CT abdomen — axial view — soft-tissue window (W 400 / L 40) — 15 organs annotated in this scan (counted over the whole 3D scan, not this slice; an organ is boxed only where this slice passes through it)
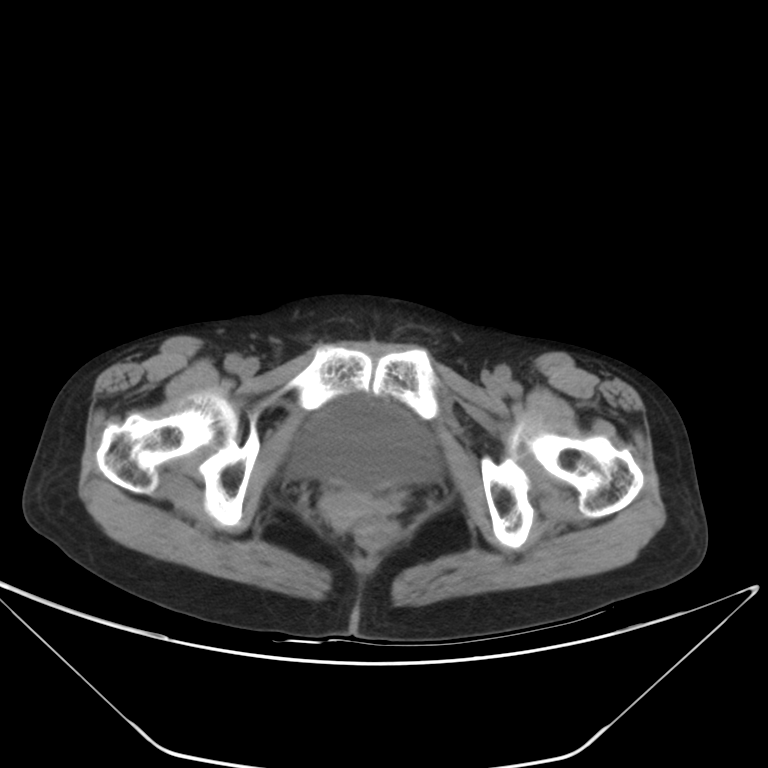 <organs><organ name="prostate/uterus" x1="319" y1="490" x2="374" y2="529"/><organ name="bladder" x1="290" y1="395" x2="438" y2="492"/></organs>